Magnetic resonance imaging, abdomen. axial view. 576x468 px. Prisma scanner
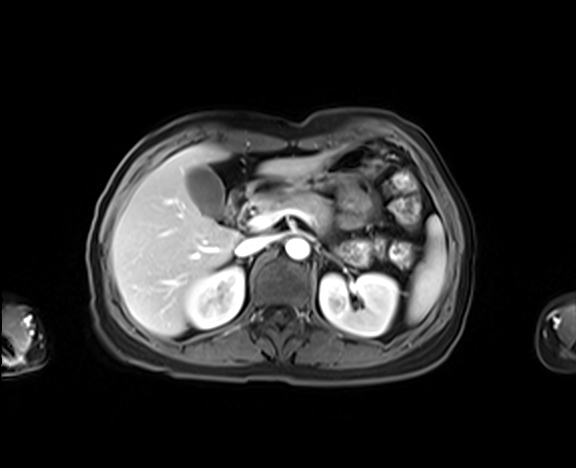

<organs><organ name="spleen" x1="408" y1="216" x2="445" y2="322"/><organ name="right kidney" x1="184" y1="266" x2="244" y2="328"/><organ name="left kidney" x1="319" y1="274" x2="398" y2="336"/><organ name="gall bladder" x1="185" y1="165" x2="224" y2="216"/><organ name="liver" x1="111" y1="144" x2="332" y2="335"/><organ name="stomach" x1="252" y1="144" x2="384" y2="197"/><organ name="aorta" x1="285" y1="239" x2="309" y2="260"/><organ name="inferior vena cava" x1="234" y1="236" x2="271" y2="256"/><organ name="pancreas" x1="252" y1="193" x2="331" y2="229"/><organ name="duodenum" x1="228" y1="185" x2="256" y2="221"/></organs>